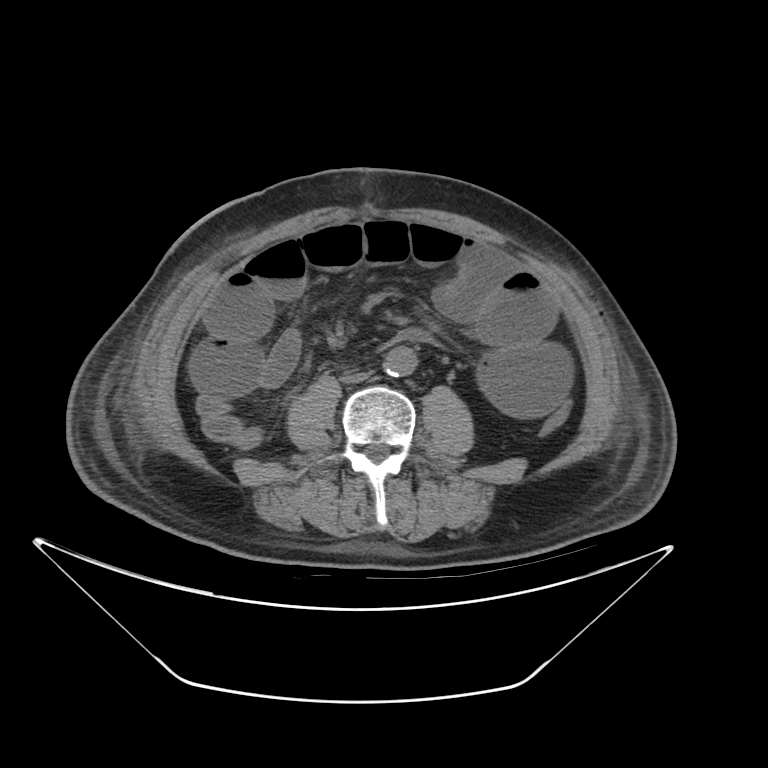

Computed tomography, abdomen; axial plane, index 48; 768x768 px
One row per box, in pixels: columns x1 and y1 give the top-left corner, x2 and y2 the bottom-right.
| organ | x1 | y1 | x2 | y2 |
|---|---|---|---|---|
| aorta | 382 | 348 | 417 | 375 |
| inferior vena cava | 341 | 371 | 373 | 384 |